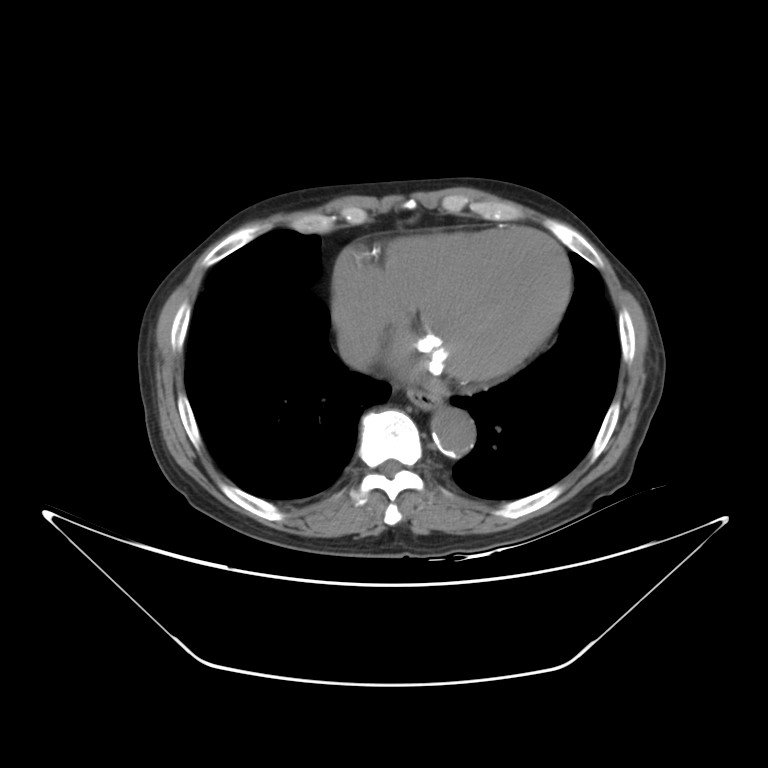

CT of the abdomen reaching into the lower chest, slice just above the liver and spleen — Axial slice 91/94 — soft-tissue window, W/L 400/40 — scan has 14 labeled organs (that count is for the whole scan; organs this slice misses have no box)
No part of the heart or lungs is labeled in this dataset, so neither has a box here.
Boxes are (x1, y1, x2, y2) in pixels.
esophagus: (407, 387, 443, 409)
aorta: (431, 408, 475, 456)
inferior vena cava: (338, 334, 377, 369)